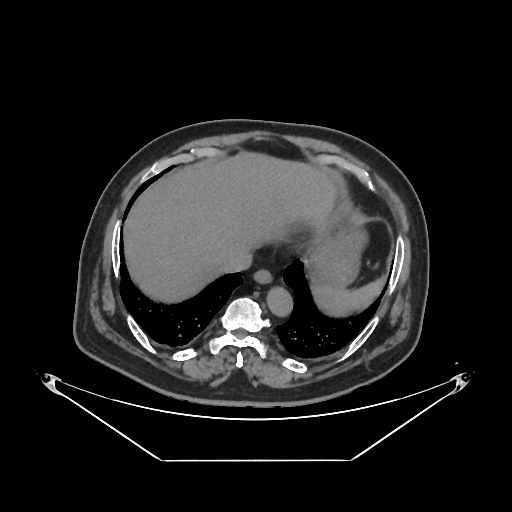 Abdominal CT; Axial slice 313/353
{"organs":{"aorta":[266,285,292,315],"liver":[122,151,335,300],"esophagus":[254,267,273,283],"stomach":[307,217,363,289],"inferior vena cava":[221,252,251,272],"spleen":[310,275,388,315]}}